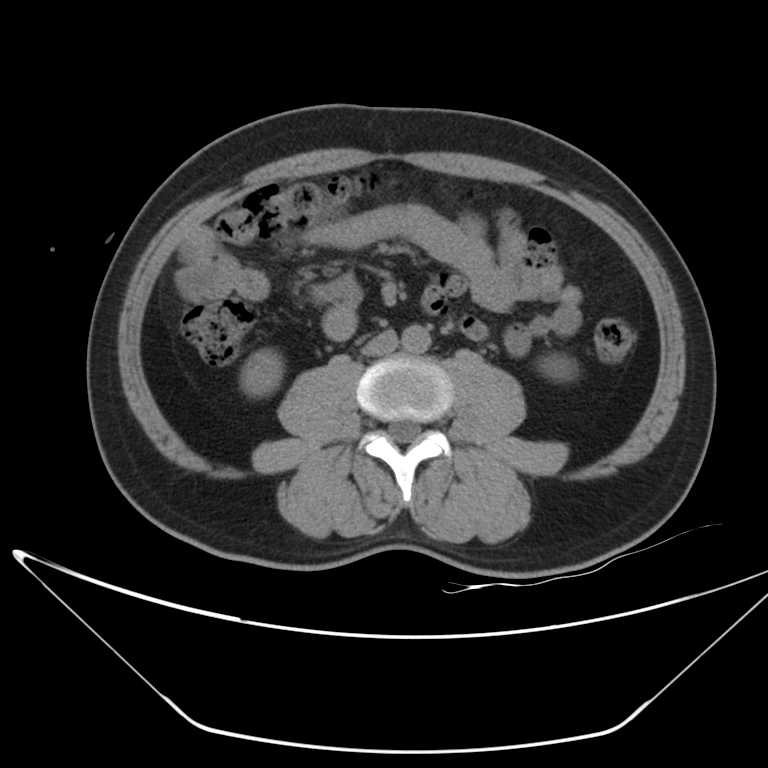

CT abdomen. axial view. 768x768 px. acquired on Brilliance16
Organ boxes in pixel coordinates; each row gives the top-left (x1, y1) and bottom-right (x2, y2) corners.
| organ | x1 | y1 | x2 | y2 |
|---|---|---|---|---|
| right kidney | 240 | 348 | 284 | 396 |
| left kidney | 538 | 353 | 577 | 380 |
| aorta | 402 | 325 | 430 | 352 |
| inferior vena cava | 362 | 329 | 398 | 355 |